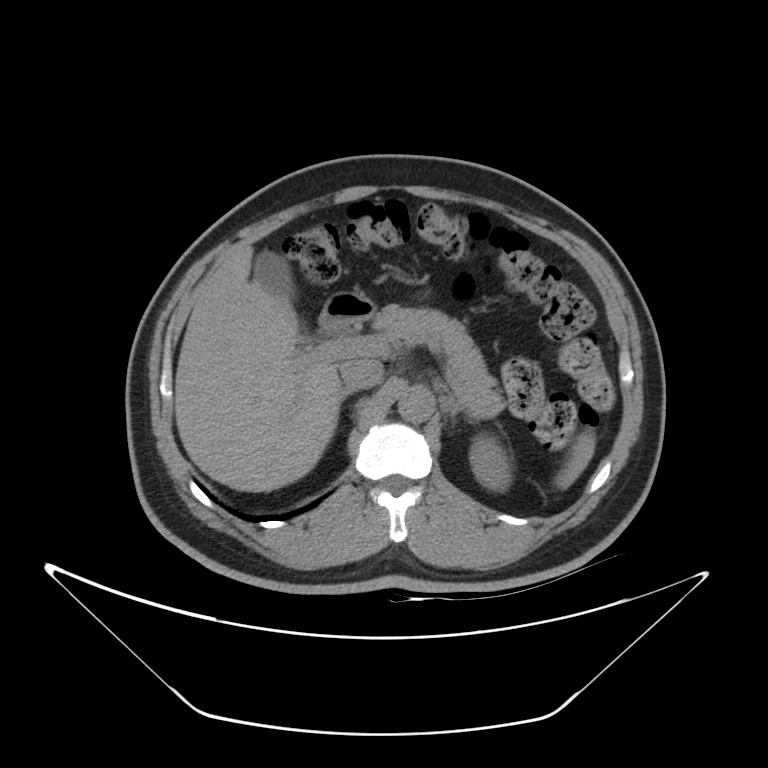 CT, abdomen/pelvis. axial view. soft-tissue window (W 400 / L 40). 768x768 px. acquired on Brilliance16
Bounding boxes in pixels, one row per box: x1, y1 is the top-left corner and x2, y2 the bottom-right.
| organ | x1 | y1 | x2 | y2 |
|---|---|---|---|---|
| spleen | 555 | 431 | 595 | 489 |
| left kidney | 469 | 434 | 511 | 491 |
| gall bladder | 253 | 251 | 294 | 299 |
| liver | 175 | 246 | 342 | 491 |
| aorta | 398 | 385 | 434 | 423 |
| inferior vena cava | 340 | 358 | 383 | 390 |
| pancreas | 373 | 304 | 506 | 418 |
| right adrenal gland | 340 | 389 | 352 | 402 |
| left adrenal gland | 443 | 395 | 472 | 423 |
| duodenum | 319 | 293 | 374 | 337 |